Lower-chest slice from an abdominal CT, just above the liver and spleen — axial view — soft-tissue window — 15 organs annotated in this scan (that count is for the whole scan; organs this slice misses have no box)
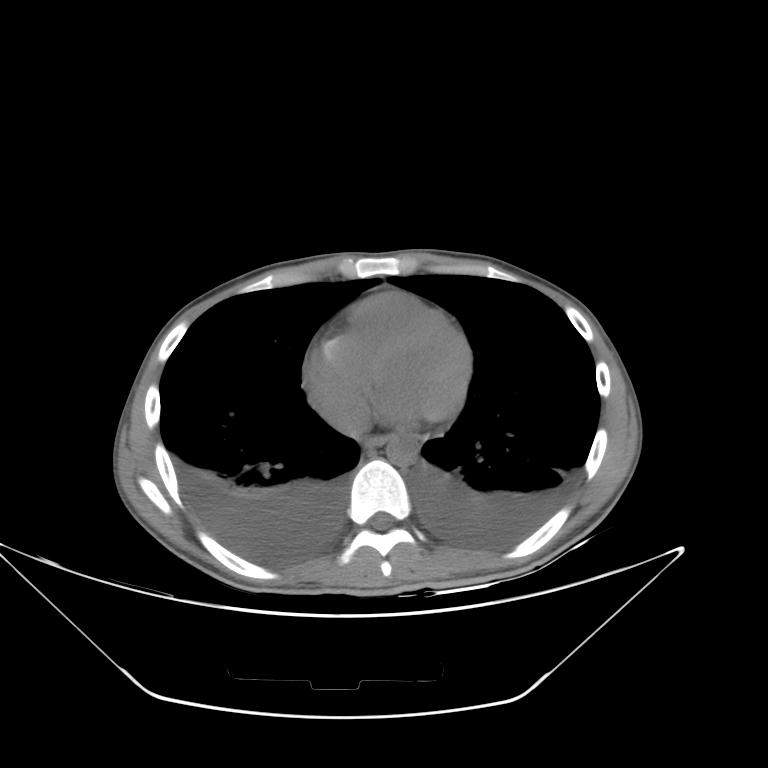 The heart and lungs are never labeled in this dataset, so they have no box on this slice.
{"organs":{"esophagus":[363,435,389,449],"aorta":[385,436,417,466],"inferior vena cava":[336,404,369,436]}}